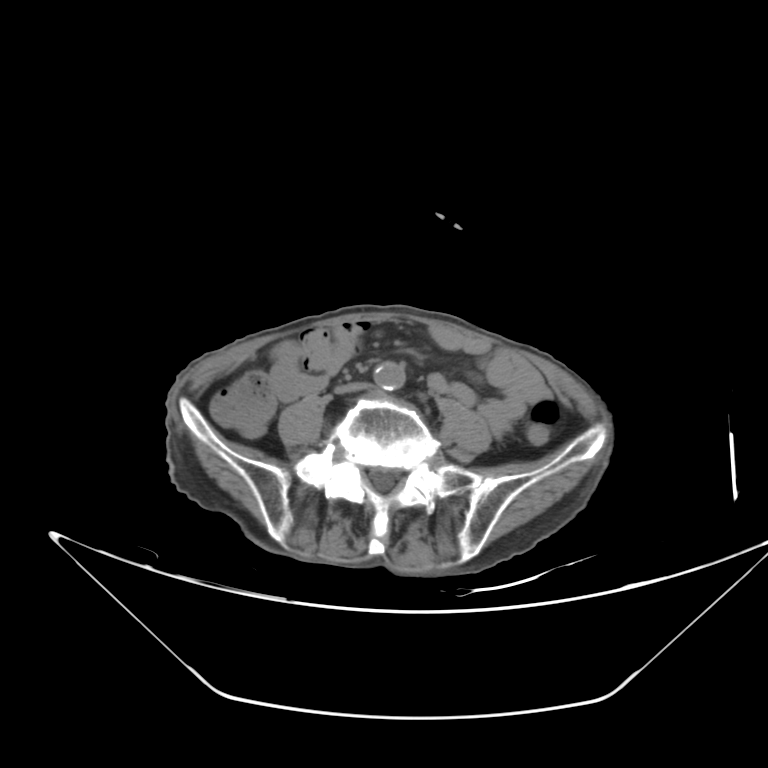
Computed tomography, abdomen; Axial slice 38/80; W/L 400/40 HU; 768x768 px; Brilliance16 scanner
Organ boxes in pixel coordinates; each row gives the top-left (x1, y1) and bottom-right (x2, y2) corners.
| organ | x1 | y1 | x2 | y2 |
|---|---|---|---|---|
| aorta | 375 | 362 | 407 | 393 |
| inferior vena cava | 334 | 383 | 373 | 395 |